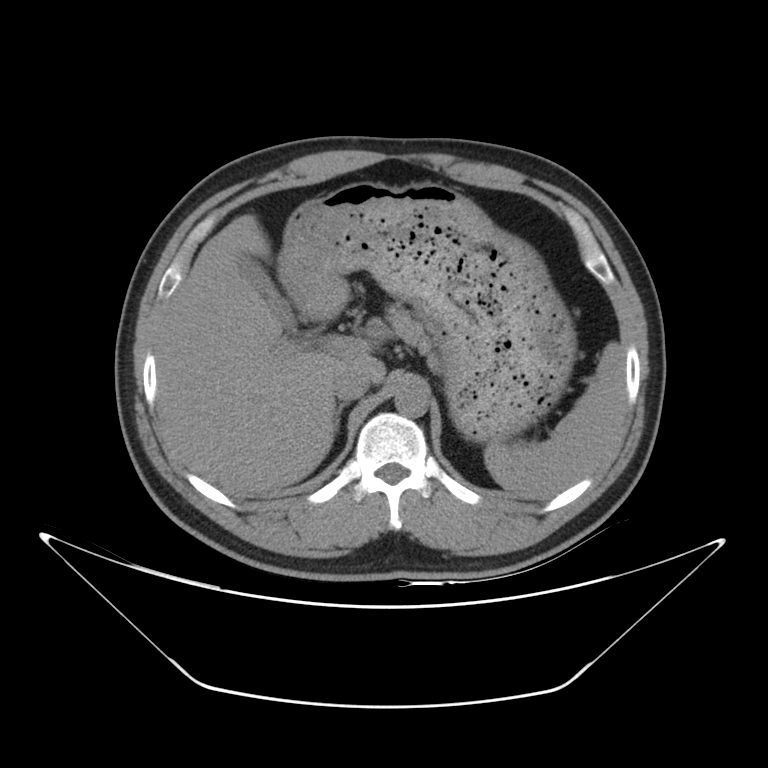

Computed tomography, abdomen — axial view — soft-tissue window (W 400 / L 40) — 768x768 px
{"organs":{"spleen":[484,342,624,499],"gall bladder":[238,256,295,330],"liver":[156,215,385,497],"stomach":[278,181,575,442],"aorta":[395,383,429,417],"inferior vena cava":[331,365,371,400],"pancreas":[386,304,434,357],"right adrenal gland":[334,403,345,433]}}